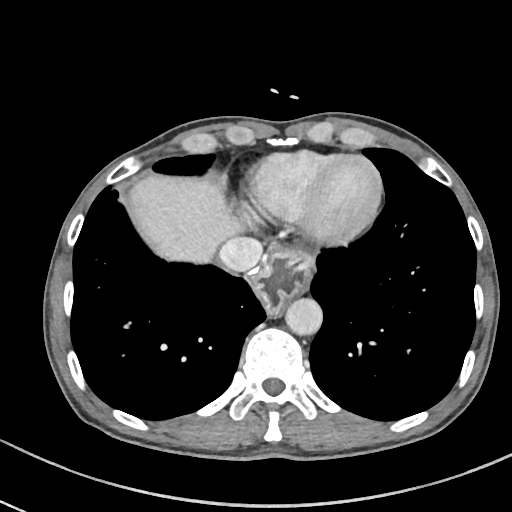

Abdominal CT — axial plane, index 196 — W/L 400/40 HU — 512x512 px
<organs><organ name="esophagus" x1="254" y1="247" x2="316" y2="316"/><organ name="liver" x1="129" y1="176" x2="243" y2="262"/><organ name="stomach" x1="284" y1="275" x2="312" y2="310"/><organ name="aorta" x1="286" y1="298" x2="322" y2="335"/><organ name="inferior vena cava" x1="219" y1="237" x2="262" y2="271"/></organs>